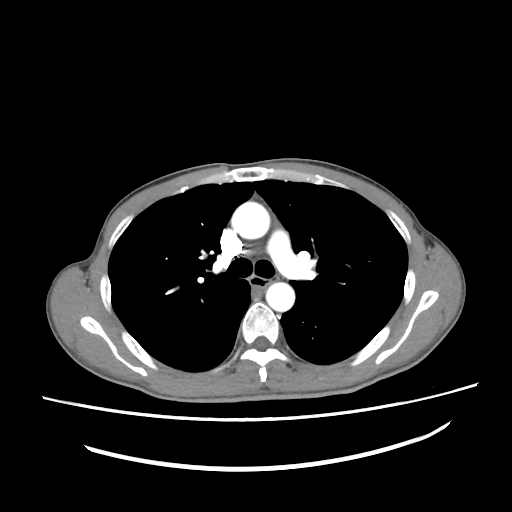
Chest-level CT slice, above the liver and spleen — axial view — W/L 400/40 HU — 50-year-old male patient
At this level of the chest this dataset labels only the esophagus and the aorta, and each is boxed only where it is labeled; the heart and lungs are never labeled. Bounding boxes as [x1, y1, x2, y2] in pixel coordinates. 2 labeled organs on this slice — esophagus at [249, 275, 279, 291]; aorta at [231, 202, 269, 238]; aorta at [266, 282, 294, 311].